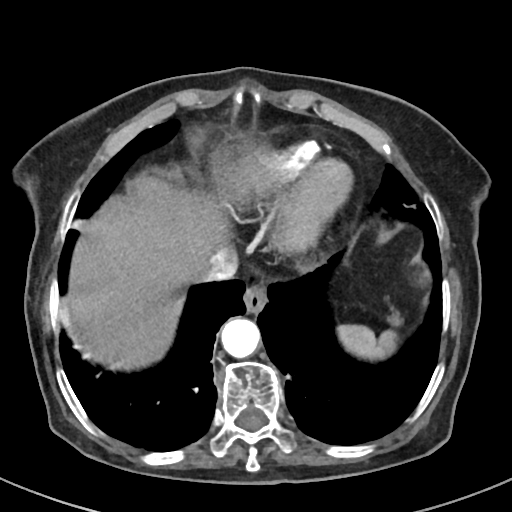 Abdominal CT. axial plane, index 178. abdomen soft-tissue window. 512x512 px
{"organs":{"spleen":[337,325,398,359],"esophagus":[243,285,267,313],"liver":[66,153,319,370],"aorta":[221,318,260,358],"inferior vena cava":[200,250,236,282]}}